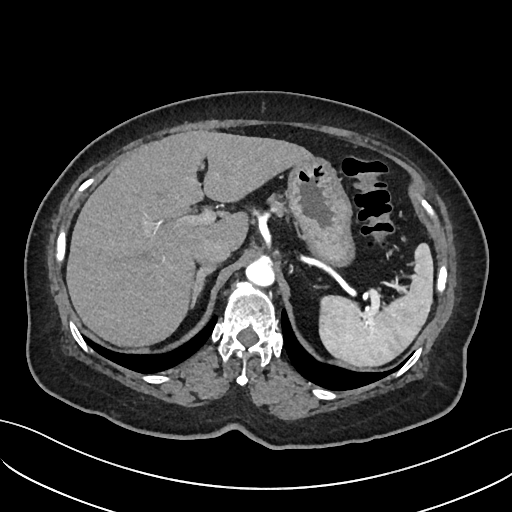
CT abdomen · axial plane, index 151 · W/L 400/40 HU
Bounding boxes in pixels, one row per box: x1, y1 is the top-left corner and x2, y2 the bottom-right.
| organ | x1 | y1 | x2 | y2 |
|---|---|---|---|---|
| spleen | 319 | 244 | 433 | 367 |
| right adrenal gland | 190 | 266 | 216 | 307 |
| pancreas | 270 | 198 | 285 | 212 |
| inferior vena cava | 193 | 239 | 230 | 266 |
| aorta | 246 | 257 | 274 | 286 |
| liver | 66 | 130 | 314 | 346 |
| stomach | 286 | 158 | 354 | 267 |